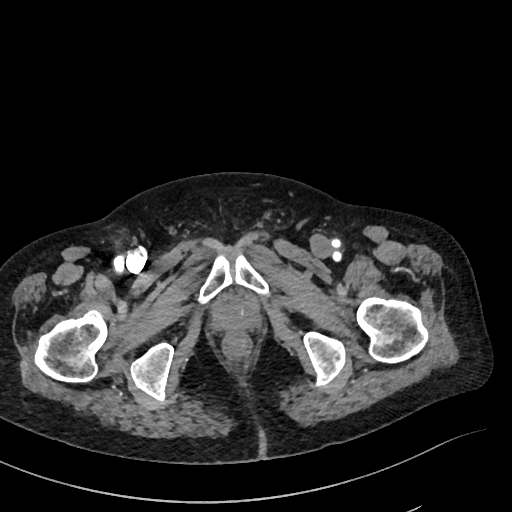
Computed tomography, abdomen · axial plane, index 19 · 512x512 px · 15 organs annotated in this scan (a whole-scan count: organs this slice does not pass through have no box)
{"organs":{"prostate/uterus":[214,300,257,330]}}